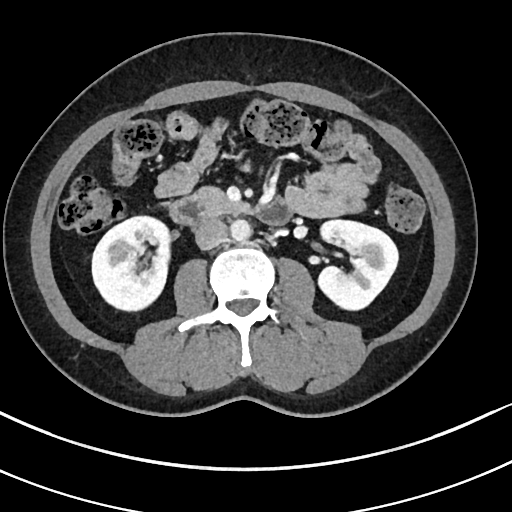

Abdominal CT; axial plane, index 123
<organs><organ name="left kidney" x1="316" y1="219" x2="398" y2="311"/><organ name="aorta" x1="230" y1="220" x2="251" y2="242"/><organ name="right kidney" x1="92" y1="217" x2="169" y2="310"/><organ name="duodenum" x1="165" y1="197" x2="291" y2="226"/><organ name="inferior vena cava" x1="194" y1="219" x2="227" y2="250"/><organ name="pancreas" x1="190" y1="186" x2="245" y2="215"/></organs>